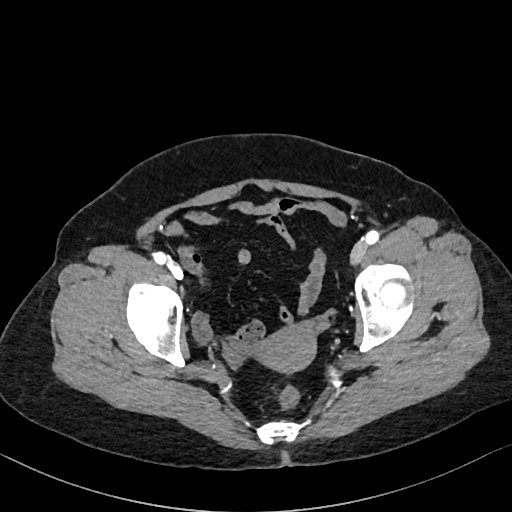

CT abdomen — Axial slice 41/222 — SOMATOM Force scanner
Bounding boxes in pixels, one row per box: x1, y1 is the top-left corner and x2, y2 the bottom-right.
| organ | x1 | y1 | x2 | y2 |
|---|---|---|---|---|
| prostate/uterus | 259 | 327 | 315 | 372 |